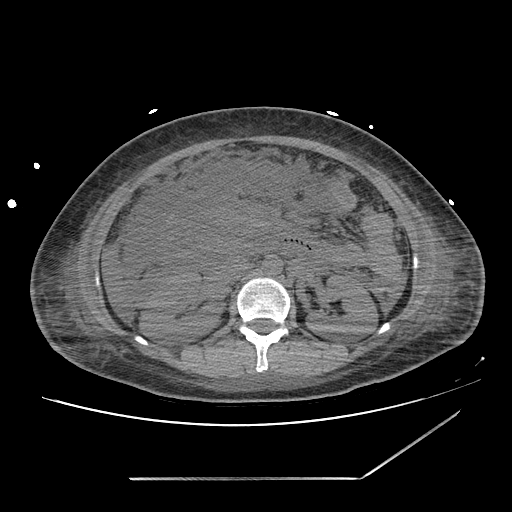 Computed tomography, abdomen; axial view; soft-tissue window
Boxes: x1:y1:x2:y2 in pixels.
Organ bounding boxes:
- right kidney: 140:268:224:344
- left kidney: 306:275:377:342
- liver: 100:247:125:309
- aorta: 263:256:282:276
- inferior vena cava: 218:256:249:282
- pancreas: 206:207:275:234
- duodenum: 159:217:300:262